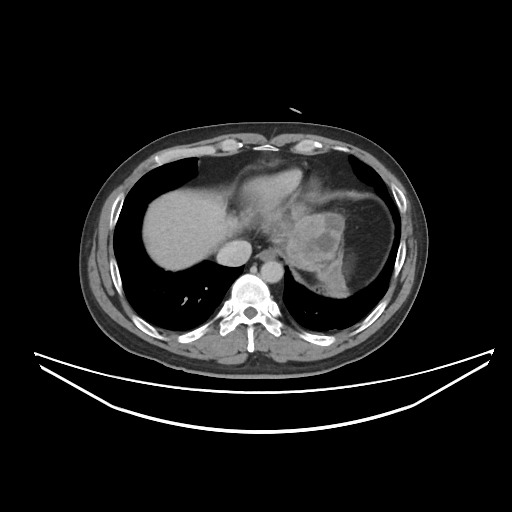
Abdominal CT. axial view. 512x512 px. 15 organs annotated in this scan (that count is for the whole scan; organs this slice misses have no box)
Boxes: x1 y1 x2 y2 (pixel coords, space-separated).
Organ bounding boxes:
- esophagus: 257 248 276 260
- liver: 143 189 344 272
- stomach: 285 239 345 294
- aorta: 260 260 283 282
- inferior vena cava: 216 240 251 266